CT, abdomen/pelvis — axial plane, index 82
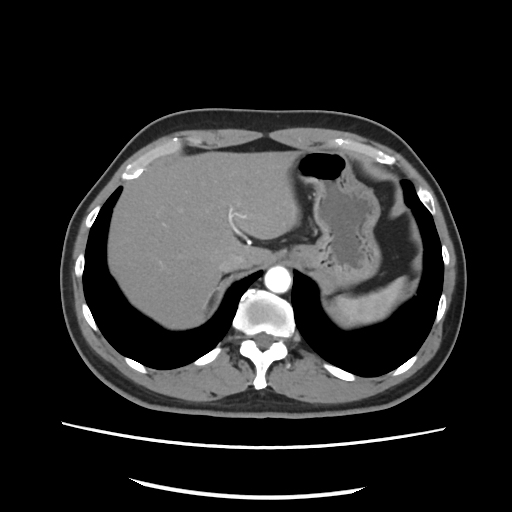

Organ boxes in pixel coordinates; each row gives the top-left (x1, y1) and bottom-right (x2, y2) corners.
| organ | x1 | y1 | x2 | y2 |
|---|---|---|---|---|
| aorta | 264 | 265 | 290 | 293 |
| inferior vena cava | 218 | 254 | 242 | 272 |
| liver | 107 | 150 | 302 | 329 |
| spleen | 334 | 277 | 410 | 325 |
| stomach | 291 | 150 | 380 | 286 |